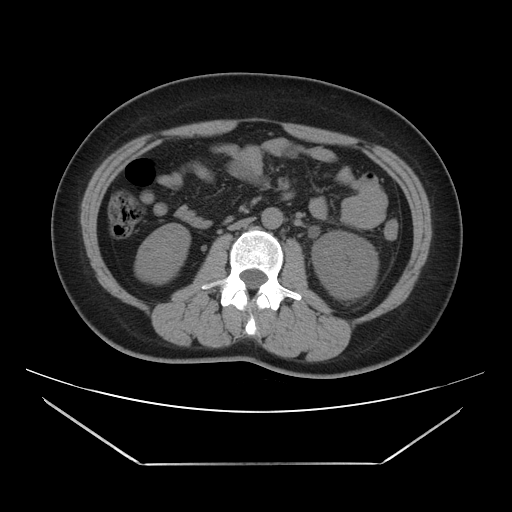
CT abdomen. axial view. soft-tissue window (W 400 / L 40). 512x512 px. SOMATOM Force scanner
{"organs":{"right kidney":[134,223,190,283],"left kidney":[312,231,378,299],"aorta":[261,207,283,228],"inferior vena cava":[228,217,254,230]}}